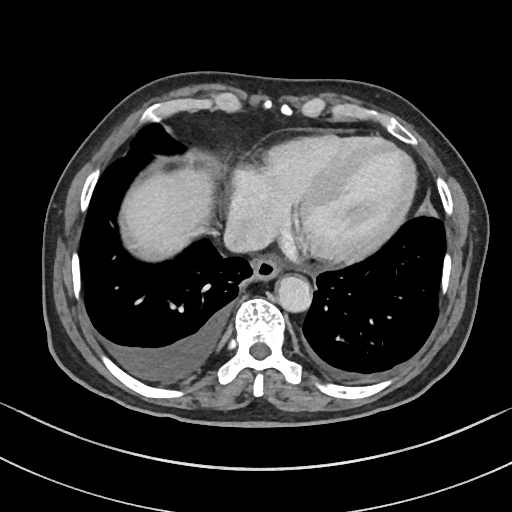
Computed tomography, abdomen; axial view; soft-tissue window; SOMATOM Force scanner; scan has 14 labeled organs (counted over the whole 3D scan, not this slice; an organ is boxed only where this slice passes through it)
Bounding boxes as [x1, y1, x2, y2] in pixel coordinates.
Organ bounding boxes:
- liver: [125, 166, 212, 251]
- inferior vena cava: [223, 219, 270, 252]
- esophagus: [252, 258, 281, 280]
- aorta: [277, 276, 311, 312]